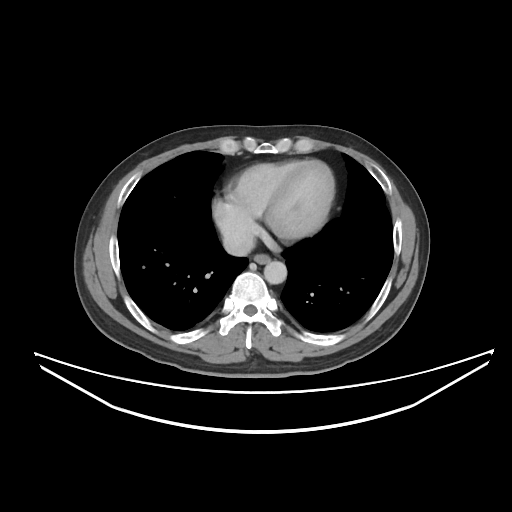

CT of the abdomen reaching into the lower chest, slice just above the liver and spleen · axial view · soft-tissue window, W/L 400/40 · 40-year-old male patient · scan has 15 labeled organs (a whole-scan count: organs this slice does not pass through have no box)
Of the structures in the chest, this dataset labels only the esophagus, the aorta and the inferior vena cava; the heart and lungs have no label.
One row per box, in pixels: columns x1 and y1 give the top-left corner, x2 and y2 the bottom-right.
| organ | x1 | y1 | x2 | y2 |
|---|---|---|---|---|
| inferior vena cava | 223 | 232 | 254 | 256 |
| aorta | 264 | 261 | 286 | 284 |
| esophagus | 253 | 254 | 270 | 263 |